CT, abdomen/pelvis; axial view; acquired on SOMATOM Force
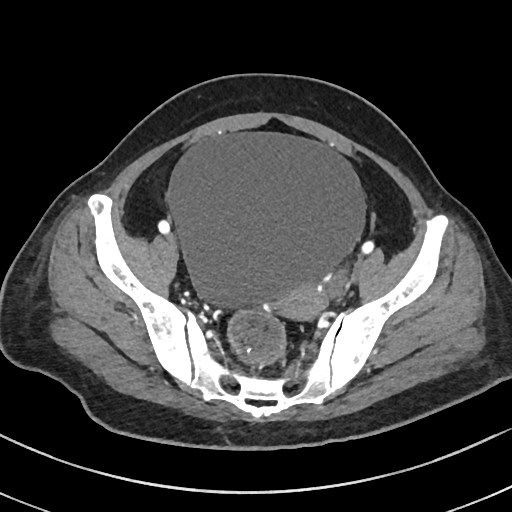 <organs><organ name="bladder" x1="169" y1="133" x2="366" y2="310"/><organ name="prostate/uterus" x1="275" y1="281" x2="327" y2="319"/></organs>